CT, abdomen/pelvis — axial view — acquired on Brilliance16
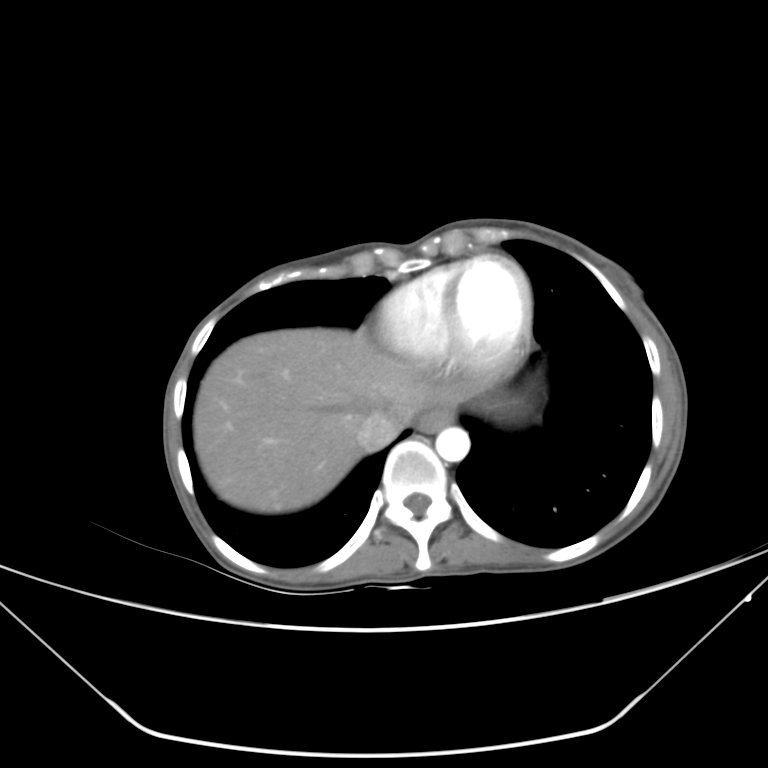 Box edges are left/top/right/bottom in pixels. Labeled organs on this slice: esophagus at left=419, top=409, right=452, bottom=432, liver at left=193, top=328, right=461, bottom=512, aorta at left=435, top=427, right=470, bottom=462, inferior vena cava at left=354, top=410, right=410, bottom=451.